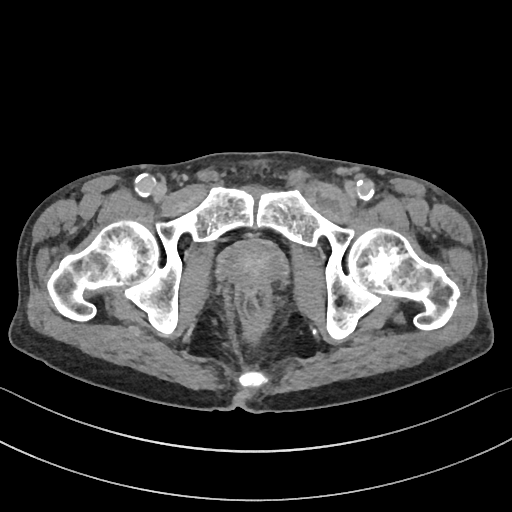

Computed tomography, abdomen — Axial slice 29/204 — 512x512 px
Each box given as x1,y1,x2,y2. The annotated organs in this slice are: prostate/uterus at x1=221, y1=240, x2=284, y2=289.